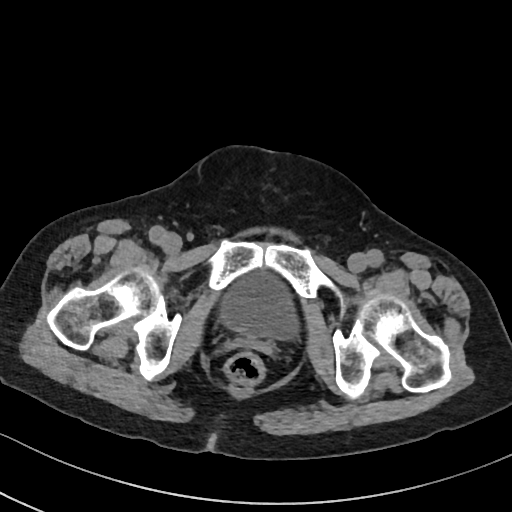

Computed tomography, abdomen. axial plane, index 30. abdomen soft-tissue window. SOMATOM Force scanner
Boxes: x1:y1:x2:y2 in pixels.
bladder: 221:270:298:340